CT, abdomen/pelvis; Axial slice 33/163; soft-tissue window (W 400 / L 40); 512x512 px; SOMATOM Force scanner
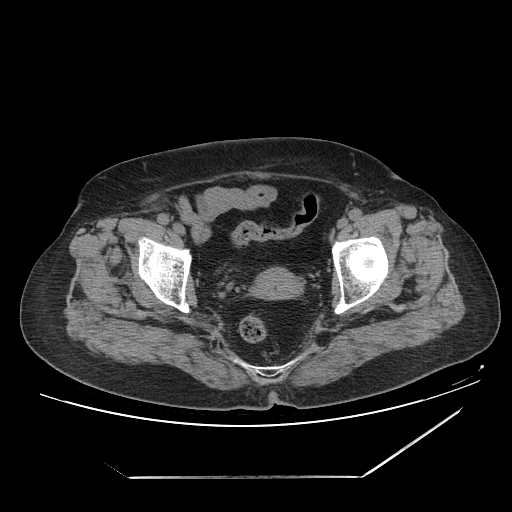 Box edges are left/top/right/bottom in pixels.
Organ bounding boxes:
- prostate/uterus: left=252, top=267, right=301, bottom=299